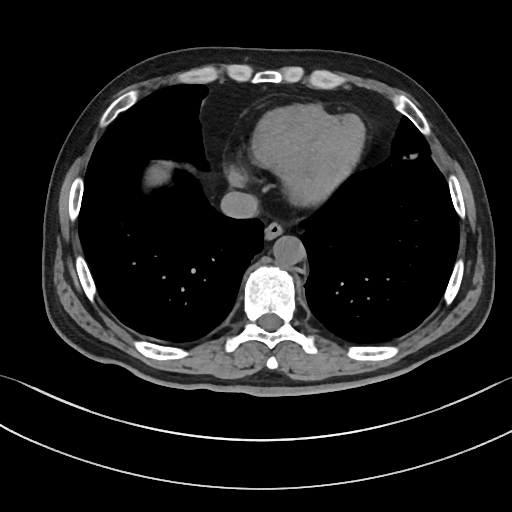 CT of the abdomen reaching into the lower chest, slice just above the liver and spleen · axial plane, index 213
The heart and lungs are never labeled in this dataset, so they have no box on this slice.
Bounding boxes in pixels, one row per box: x1, y1 is the top-left corner and x2, y2 the bottom-right.
| organ | x1 | y1 | x2 | y2 |
|---|---|---|---|---|
| esophagus | 264 | 223 | 282 | 241 |
| aorta | 273 | 236 | 305 | 266 |
| inferior vena cava | 220 | 190 | 257 | 218 |